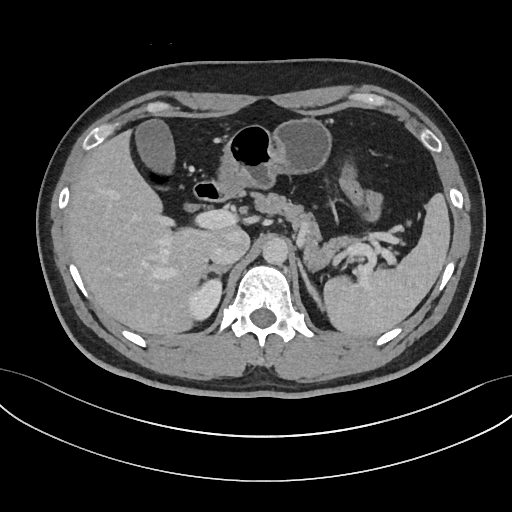

CT, abdomen/pelvis — axial plane, index 195 — 512x512 px
<organs><organ name="inferior vena cava" x1="210" y1="229" x2="249" y2="265"/><organ name="right kidney" x1="188" y1="279" x2="221" y2="321"/><organ name="duodenum" x1="194" y1="181" x2="241" y2="202"/><organ name="right adrenal gland" x1="202" y1="266" x2="230" y2="282"/><organ name="stomach" x1="218" y1="117" x2="332" y2="195"/><organ name="liver" x1="65" y1="128" x2="240" y2="335"/><organ name="aorta" x1="262" y1="238" x2="288" y2="264"/><organ name="gall bladder" x1="135" y1="119" x2="198" y2="213"/><organ name="left adrenal gland" x1="299" y1="265" x2="325" y2="312"/><organ name="spleen" x1="324" y1="193" x2="449" y2="336"/><organ name="pancreas" x1="254" y1="193" x2="364" y2="267"/></organs>